CT abdomen. axial plane, index 88. soft-tissue window
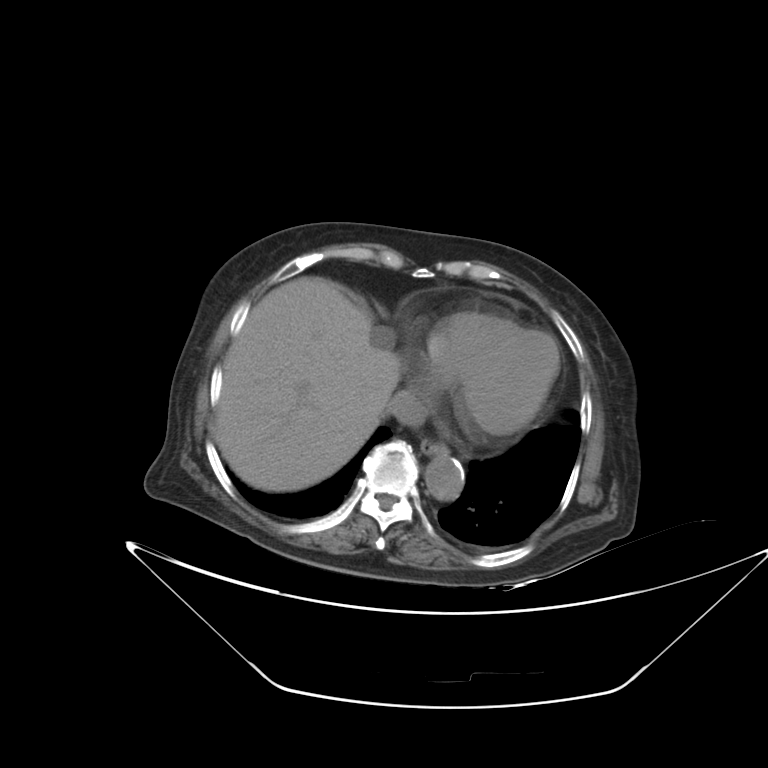

Each box given as x1,y1,x2,y2.
Organ bounding boxes:
- esophagus: x1=420, y1=439, x2=447, y2=456
- liver: x1=218, y1=277, x2=401, y2=491
- aorta: x1=425, y1=455, x2=464, y2=501
- inferior vena cava: x1=383, y1=389, x2=428, y2=426